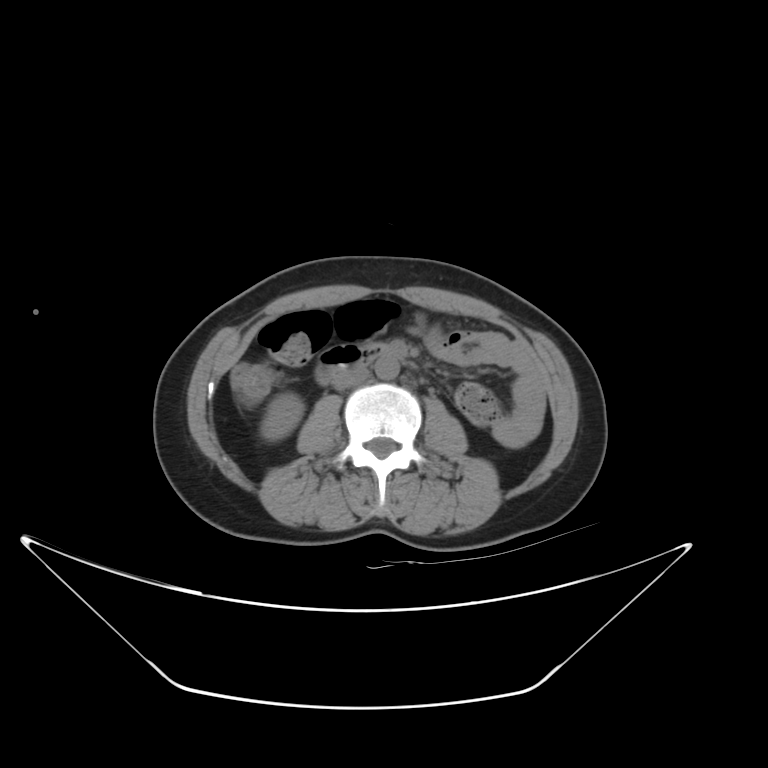
Computed tomography, abdomen. axial view
Each box given as x1,y1,x2,y2.
Organ bounding boxes:
- right kidney: x1=263, y1=395, x2=304, y2=438
- aorta: x1=375, y1=356, x2=399, y2=379
- inferior vena cava: x1=334, y1=369, x2=369, y2=391
- duodenum: x1=315, y1=343, x2=389, y2=384